CT, abdomen/pelvis; axial plane, index 53; soft-tissue window (W 400 / L 40); Brilliance16 scanner
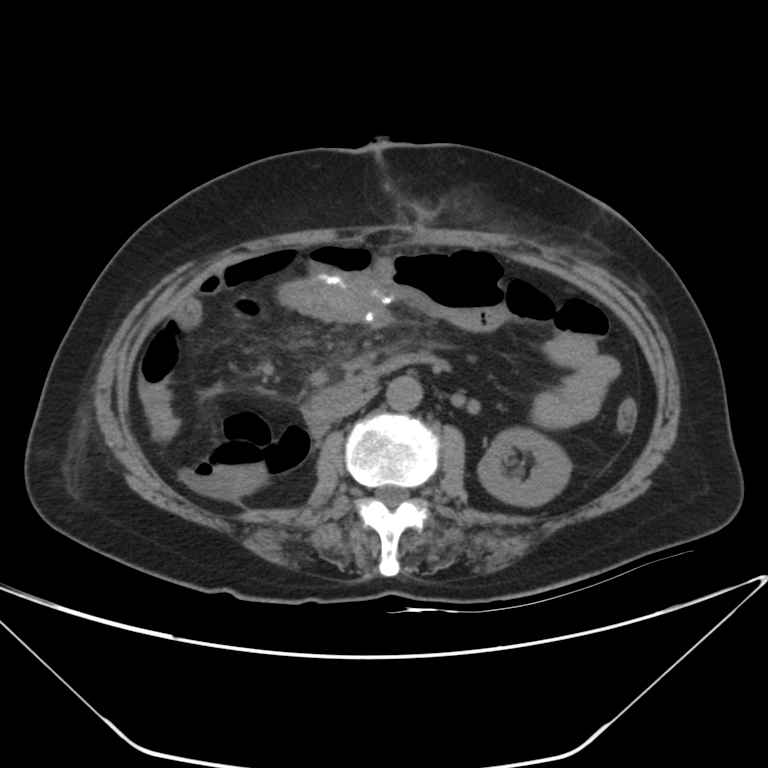
Each box given as x1,y1,x2,y2.
Organ bounding boxes:
- left kidney: x1=478, y1=428, x2=570, y2=506
- duodenum: x1=303, y1=352, x2=448, y2=434
- inferior vena cava: x1=337, y1=391, x2=373, y2=417
- aorta: x1=386, y1=376, x2=422, y2=410